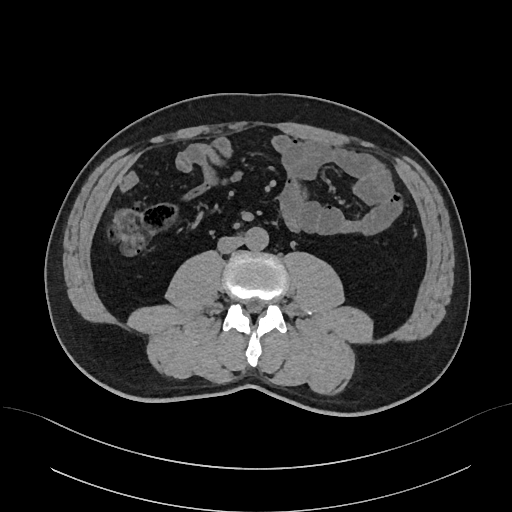 CT abdomen · axial view · 15 organs annotated in this scan (that count is for the whole scan; organs this slice misses have no box)
Boxes are (x1, y1, x2, y2) in pixels.
aorta: (244, 227, 268, 250)
inferior vena cava: (218, 236, 243, 253)